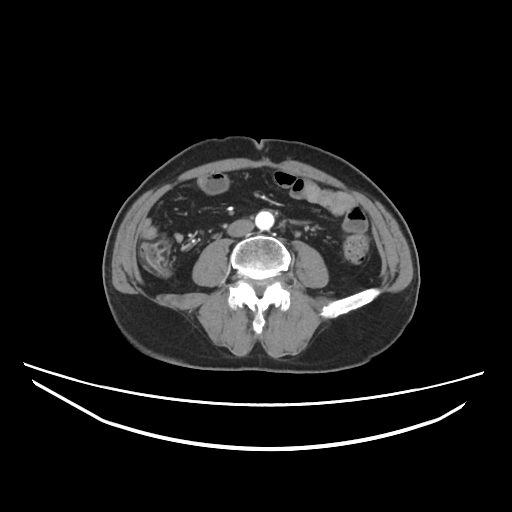
Computed tomography, abdomen · Axial slice 45/124 · 512x512 px · 58-year-old male patient · scan has 15 labeled organs (counted over the whole 3D scan, not this slice; an organ is boxed only where this slice passes through it)
<organs><organ name="aorta" x1="255" y1="210" x2="274" y2="230"/><organ name="inferior vena cava" x1="227" y1="219" x2="253" y2="236"/></organs>